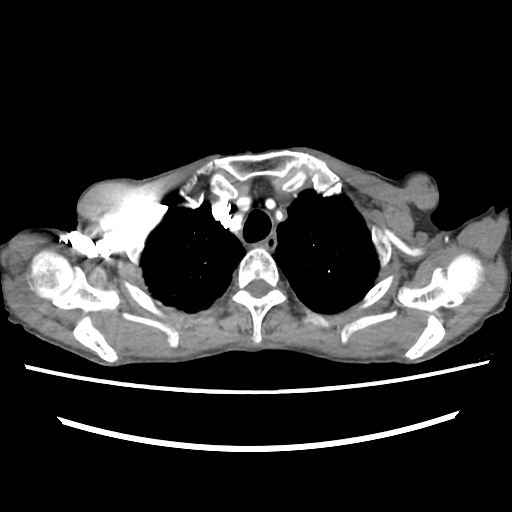
Chest-level slice from an abdominal CT that extends up into the chest — axial view
At this level of the chest this dataset labels only the esophagus and the aorta, and each is boxed only where it is labeled; the heart and lungs are never labeled.
Boxes: x1:y1:x2:y2 in pixels.
esophagus: 255:233:275:253